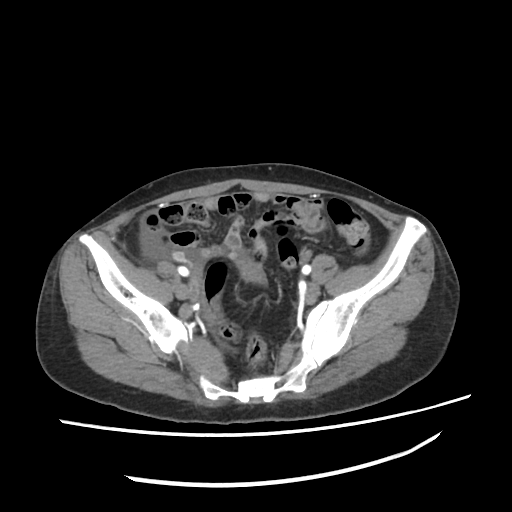

CT, abdomen/pelvis — axial view — W/L 400/40 HU — 512x512 px — 47-year-old female patient
{"organs":{"prostate/uterus":[243,264,264,280]}}